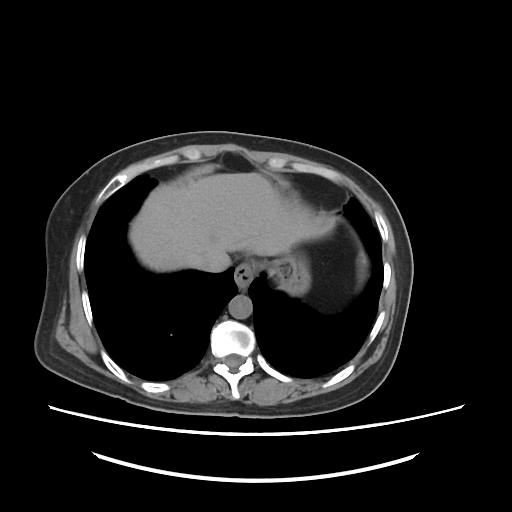 CT, abdomen/pelvis; axial view
{"organs":{"aorta":[229,295,251,317],"stomach":[267,249,310,294],"inferior vena cava":[196,251,231,270],"esophagus":[234,263,255,289],"liver":[130,173,328,271]}}